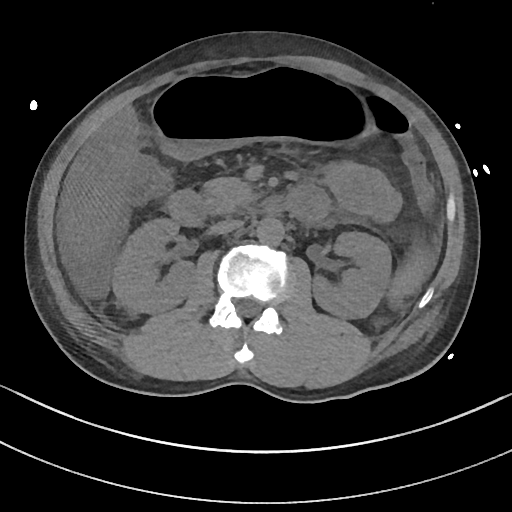 CT, abdomen/pelvis — Axial slice 155/252
<organs><organ name="spleen" x1="389" y1="251" x2="430" y2="299"/><organ name="right kidney" x1="112" y1="216" x2="194" y2="312"/><organ name="left kidney" x1="312" y1="231" x2="392" y2="318"/><organ name="liver" x1="63" y1="109" x2="140" y2="256"/><organ name="stomach" x1="151" y1="73" x2="362" y2="158"/><organ name="aorta" x1="255" y1="216" x2="284" y2="244"/><organ name="inferior vena cava" x1="210" y1="218" x2="242" y2="234"/><organ name="pancreas" x1="204" y1="177" x2="252" y2="214"/><organ name="duodenum" x1="168" y1="186" x2="327" y2="225"/></organs>